Abdominal CT reaching into the chest; this slice is in the chest. axial view. scan has 15 labeled organs (that count is for the whole scan; organs this slice misses have no box)
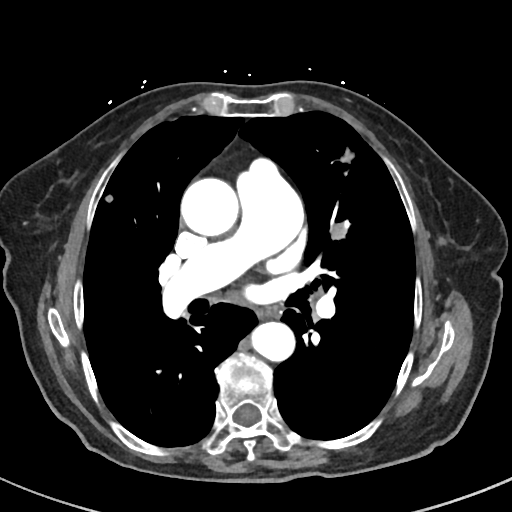
At this level of the chest no structure but the esophagus and the aorta has a label in this dataset, and those two are boxed only where they are labeled.
Boxes: x1 y1 x2 y2 (pixel coords, space-separated).
esophagus: 260 308 277 317
aorta: 180 177 239 236
aorta: 251 321 295 362